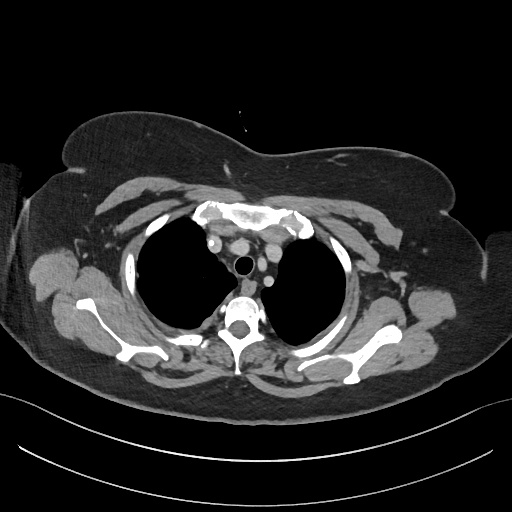
Chest-level slice from an abdominal CT that extends up into the chest — axial view — soft-tissue window (W 400 / L 40) — 512x512 px — scan has 15 labeled organs (counted over the whole 3D scan, not this slice; an organ is boxed only where this slice passes through it)
On a slice this high in the chest, this dataset labels only the esophagus and the aorta, and each is boxed only where it is labeled; the heart, lungs and other chest structures are not labeled. Boxes: x1:y1:x2:y2 in pixels. 1 labeled organ on this slice — esophagus at 242:282:255:294.